Computed tomography, abdomen. axial plane, index 138
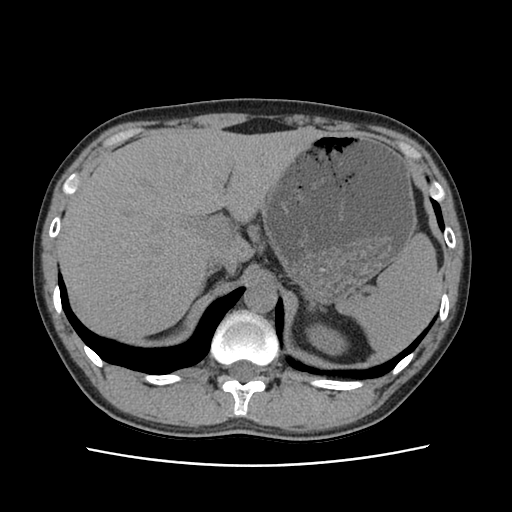

Bounding boxes as [x1, y1, x2, y2] in pixel coordinates. The annotated organs in this slice are: spleen at [337, 233, 440, 357], right adrenal gland at [206, 270, 214, 276], left kidney at [306, 323, 344, 354], aorta at [243, 283, 276, 312], stomach at [261, 133, 416, 303], liver at [58, 129, 322, 339], inferior vena cava at [206, 248, 238, 273].